Abdominal CT · axial view · soft-tissue window (W 400 / L 40) · acquired on SOMATOM Force
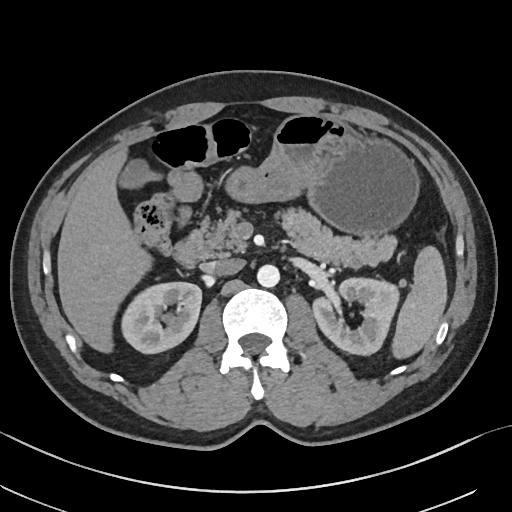 Boxes: x1 y1 x2 y2 (pixel coords, space-separated).
spleen: 392 246 447 358
right kidney: 121 282 201 353
left kidney: 313 278 399 355
gall bladder: 119 159 148 188
liver: 57 150 152 352
stomach: 226 115 418 234
aorta: 257 264 279 287
inferior vena cava: 206 258 244 275
pancreas: 201 207 396 267
duodenum: 174 229 211 267